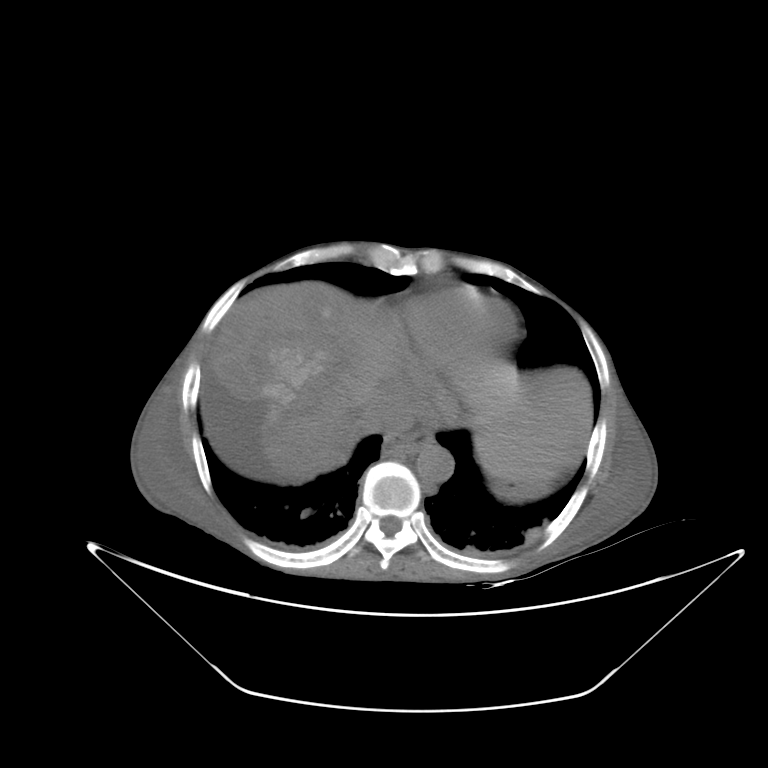 Abdominal CT · Axial slice 99/108 · soft-tissue window (W 400 / L 40)
<organs><organ name="esophagus" x1="382" y1="432" x2="434" y2="457"/><organ name="stomach" x1="495" y1="483" x2="535" y2="499"/><organ name="aorta" x1="416" y1="445" x2="454" y2="483"/><organ name="liver" x1="208" y1="281" x2="592" y2="497"/><organ name="inferior vena cava" x1="366" y1="399" x2="413" y2="432"/></organs>